CT, abdomen/pelvis — axial view
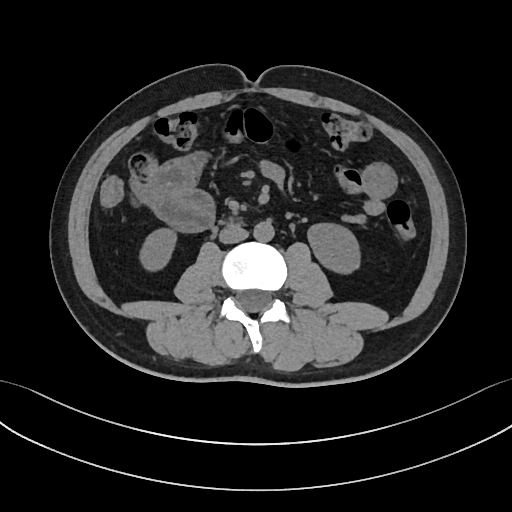

Boxes: x1 y1 x2 y2 (pixel coords, space-separated).
aorta: 253 220 274 242
inferior vena cava: 219 226 248 243
right kidney: 141 227 176 269
left kidney: 307 222 361 274